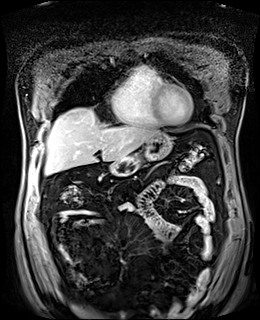

Abdominal MR; coronal view; 1st–99th percentile window; Prisma scanner
Box edges are left/top/right/bottom in pixels.
liver: left=45, top=108, right=160, bottom=174
stomach: left=110, top=133, right=172, bottom=175